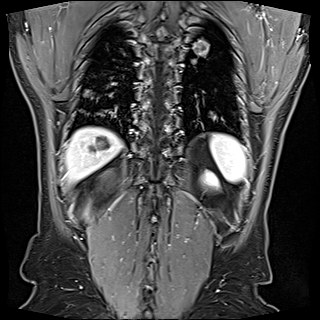

Abdominal MR; coronal view; 1st–99th percentile window
Boxes: x1:y1:x2:y2 in pixels.
Organ bounding boxes:
- spleen: 210:134:245:182
- right kidney: 93:179:117:187
- left kidney: 201:172:223:189
- liver: 65:127:122:182